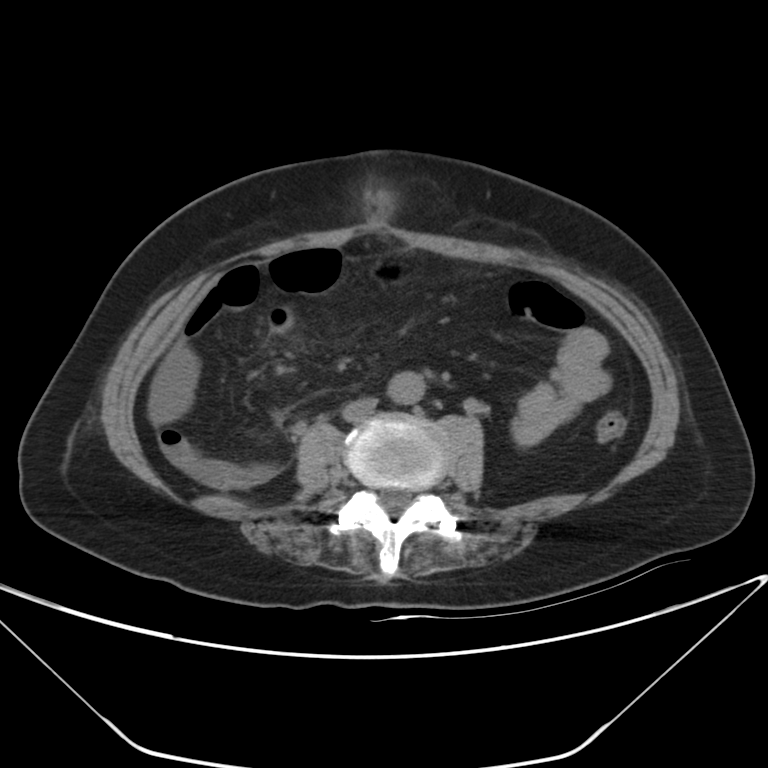 CT abdomen — axial view — acquired on Brilliance16
<organs><organ name="aorta" x1="388" y1="371" x2="425" y2="404"/><organ name="inferior vena cava" x1="343" y1="398" x2="376" y2="420"/></organs>